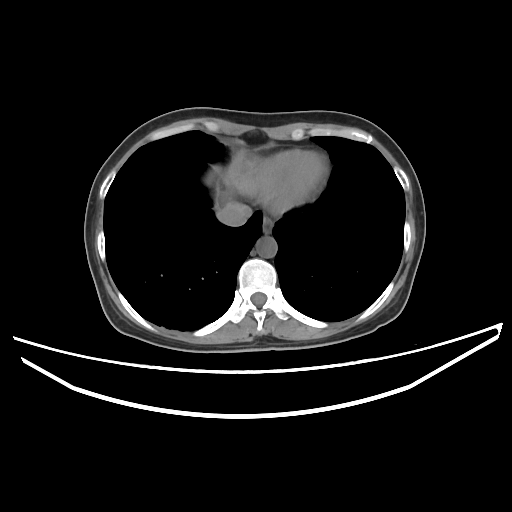 CT, abdomen/pelvis — axial view
Each box given as x1,y1,x2,y2.
Organ bounding boxes:
- esophagus: x1=262, y1=217, x2=273, y2=233
- liver: x1=226, y1=151, x2=256, y2=196
- aorta: x1=256, y1=236, x2=277, y2=257
- inferior vena cava: x1=217, y1=202, x2=252, y2=226